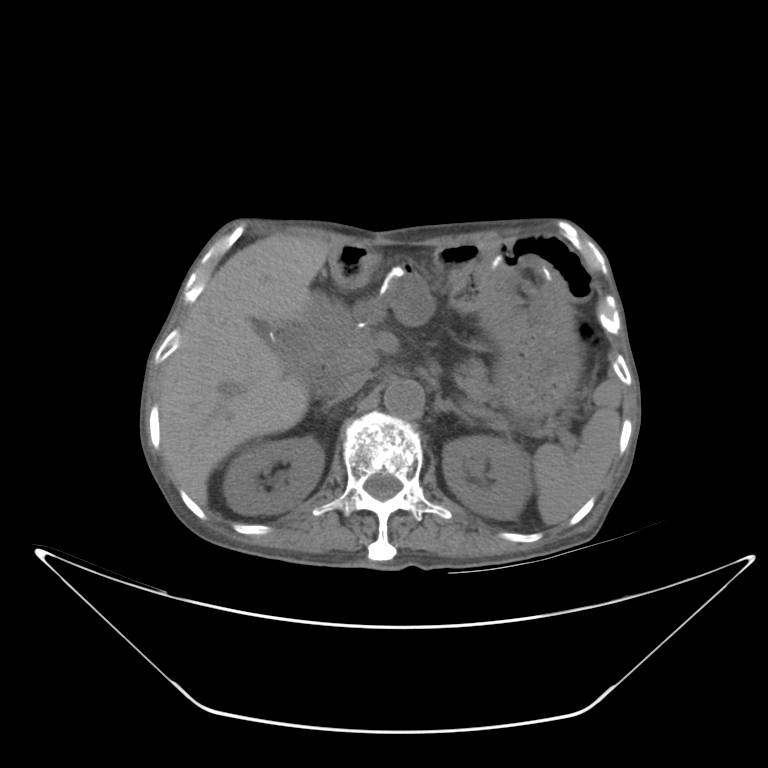
CT abdomen · axial view · 768x768 px · 68-year-old male patient · Brilliance16 scanner
Box edges are left/top/right/bottom in pixels. Labeled organs on this slice: spleen at left=513, top=380, right=621, bottom=524, right kidney at left=224, top=437, right=323, bottom=517, left kidney at left=443, top=437, right=533, bottom=517, liver at left=160, top=233, right=327, bottom=501, stomach at left=478, top=249, right=578, bottom=412, aorta at left=384, top=378, right=424, bottom=420, inferior vena cava at left=335, top=373, right=364, bottom=396, pancreas at left=454, top=360, right=499, bottom=406, left adrenal gland at left=432, top=396, right=476, bottom=425.